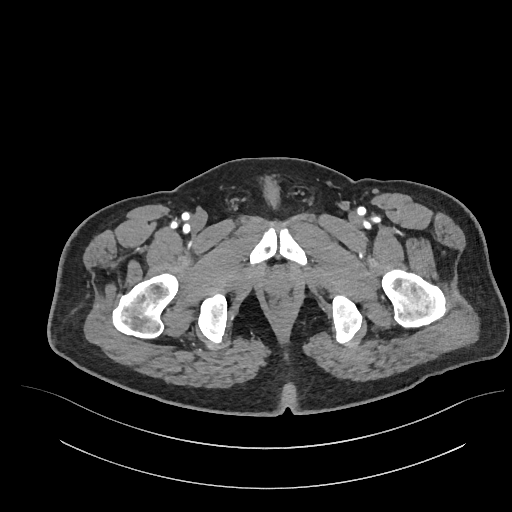

CT, abdomen/pelvis; Axial slice 21/333; W/L 400/40 HU; scan has 15 labeled organs (counted over the whole 3D scan, not this slice; an organ is boxed only where this slice passes through it)
One row per box, in pixels: columns x1 and y1 give the top-left corner, x2 and y2 the bottom-right.
| organ | x1 | y1 | x2 | y2 |
|---|---|---|---|---|
| prostate/uterus | 266 | 273 | 290 | 293 |